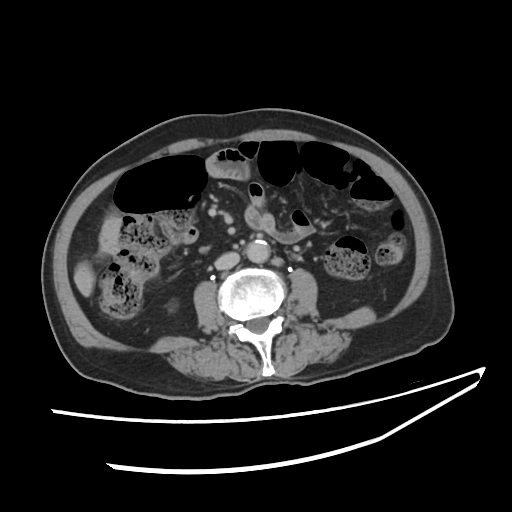

CT, abdomen/pelvis. axial view. abdomen soft-tissue window. 83-year-old male patient. 15 organs annotated in this scan (counted over the whole 3D scan, not this slice; an organ is boxed only where this slice passes through it)
Box edges are left/top/right/bottom in pixels.
Organ bounding boxes:
- inferior vena cava: left=214, top=254, right=238, bottom=270
- right kidney: left=166, top=300, right=181, bottom=315
- aorta: left=247, top=240, right=269, bottom=262